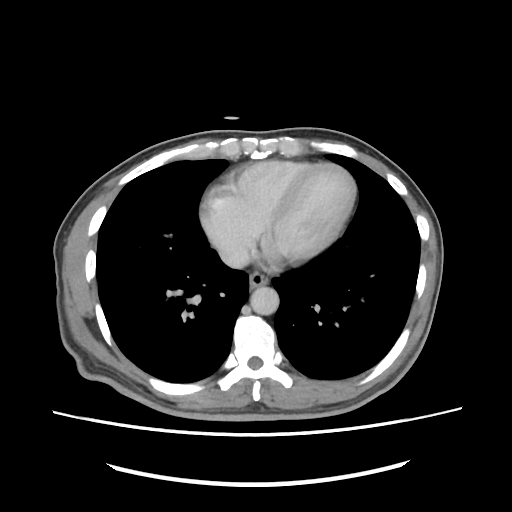

Abdominal CT; this slice is in the lower chest, just above the liver. axial plane, index 89. soft-tissue window, W/L 400/40. 512x512 px. 15 organs annotated in this scan (that count is for the whole scan; organs this slice misses have no box)
The heart and lungs are never labeled in this dataset, so they have no box on this slice.
<organs><organ name="esophagus" x1="249" y1="272" x2="268" y2="288"/><organ name="aorta" x1="250" y1="286" x2="279" y2="315"/><organ name="inferior vena cava" x1="219" y1="243" x2="249" y2="268"/></organs>